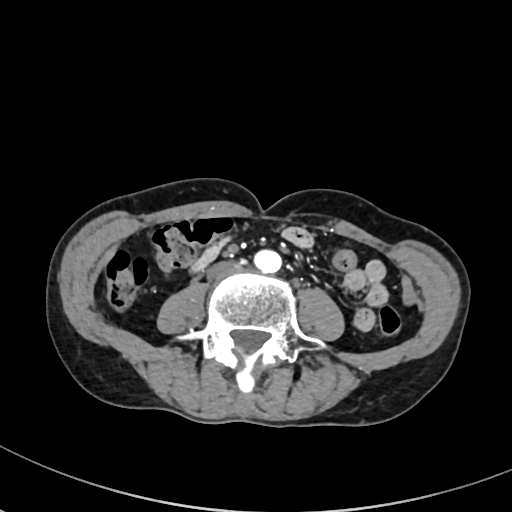

CT abdomen; axial plane, index 107; soft-tissue window; 512x512 px; acquired on SOMATOM Force
{"organs":{"inferior vena cava":[207,261,241,280],"aorta":[255,249,282,273]}}